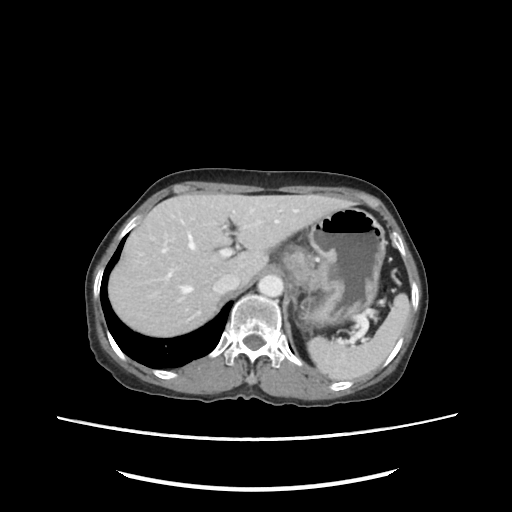 CT abdomen — axial view — soft-tissue window (W 400 / L 40)
{"organs":{"liver":[109,192,357,337],"spleen":[306,294,409,379],"inferior vena cava":[212,273,238,295],"stomach":[283,206,386,327],"aorta":[258,275,282,297],"pancreas":[306,273,313,298]}}